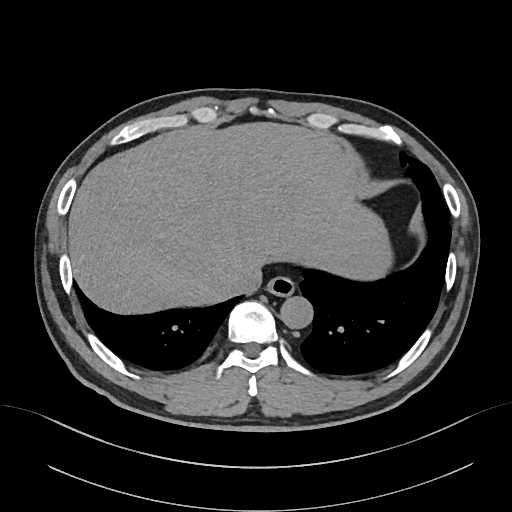
CT abdomen — axial view — soft-tissue window (W 400 / L 40) — 512x512 px
{"organs":{"inferior vena cava":[227,267,262,294],"aorta":[280,296,313,329],"liver":[68,123,390,312],"esophagus":[267,277,295,296]}}